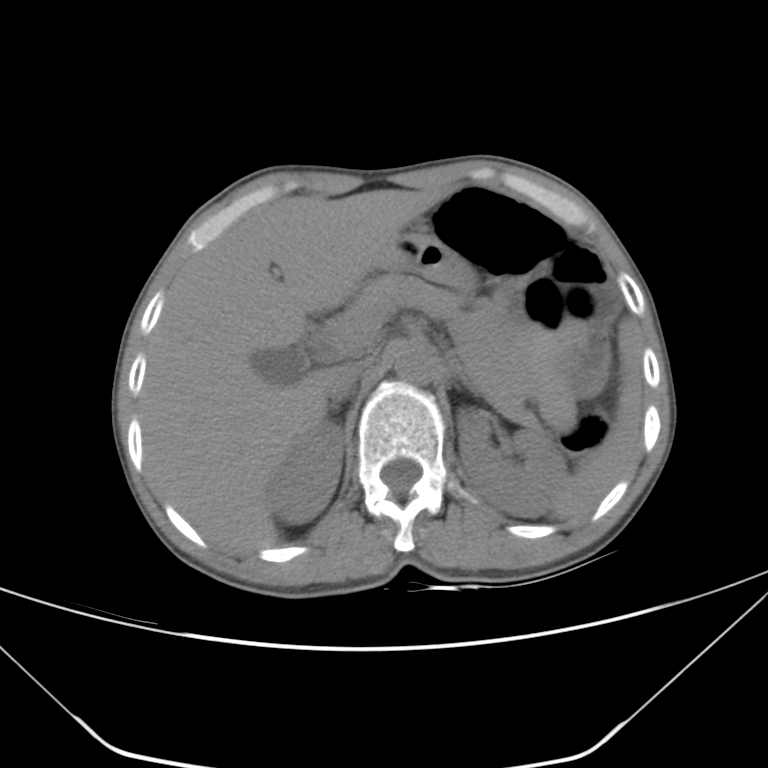
Abdominal CT. axial view
One row per box, in pixels: columns x1 and y1 give the top-left corner, x2 and y2 the bottom-right.
| organ | x1 | y1 | x2 | y2 |
|---|---|---|---|---|
| spleen | 552 | 319 | 643 | 521 |
| right kidney | 267 | 421 | 343 | 524 |
| left kidney | 456 | 407 | 567 | 517 |
| gall bladder | 255 | 347 | 309 | 381 |
| liver | 139 | 189 | 443 | 554 |
| stomach | 381 | 231 | 475 | 291 |
| aorta | 392 | 340 | 438 | 383 |
| inferior vena cava | 332 | 362 | 366 | 396 |
| pancreas | 345 | 273 | 519 | 403 |
| right adrenal gland | 330 | 386 | 354 | 409 |
| left adrenal gland | 458 | 374 | 476 | 393 |